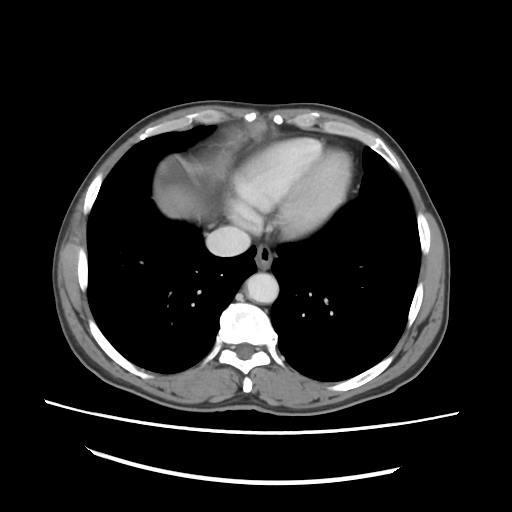
CT, abdomen/pelvis · axial view · W/L 400/40 HU · 512x512 px
Box edges are left/top/right/bottom in pixels. The annotated organs in this slice are: esophagus at left=255, top=245, right=272, bottom=268, liver at left=160, top=187, right=206, bottom=216, aorta at left=246, top=273, right=278, bottom=303, inferior vena cava at left=206, top=226, right=250, bottom=256.